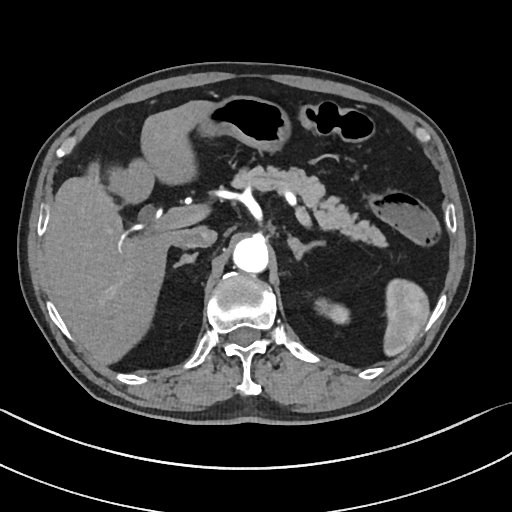 Computed tomography, abdomen; axial view; 512x512 px; SOMATOM Force scanner
Boxes are (x1, y1, x2, y2) in pixels. 9 labeled organs on this slice — pancreas at (231, 165, 387, 247); inferior vena cava at (174, 226, 216, 249); left kidney at (315, 298, 349, 323); left adrenal gland at (287, 236, 324, 260); aorta at (233, 237, 268, 273); liver at (44, 100, 214, 365); spleen at (383, 278, 429, 356); right adrenal gland at (173, 253, 197, 268); stomach at (199, 96, 291, 152).